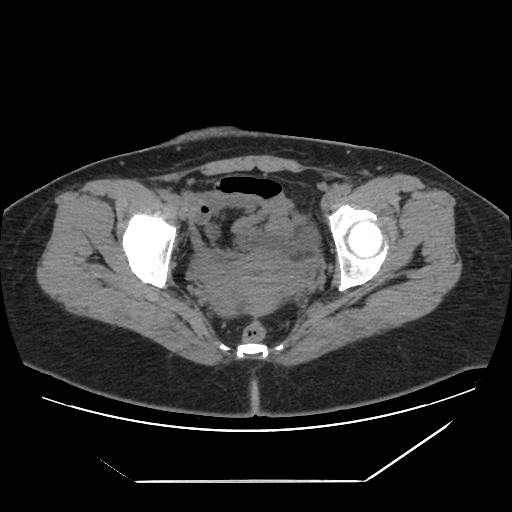
CT, abdomen/pelvis · axial plane, index 45 · 512x512 px · acquired on SOMATOM Force
Boxes are (x1, y1, x2, y2) in pixels. 2 labeled organs on this slice — bladder at (296, 226, 315, 248); prostate/uterus at (206, 252, 301, 317).